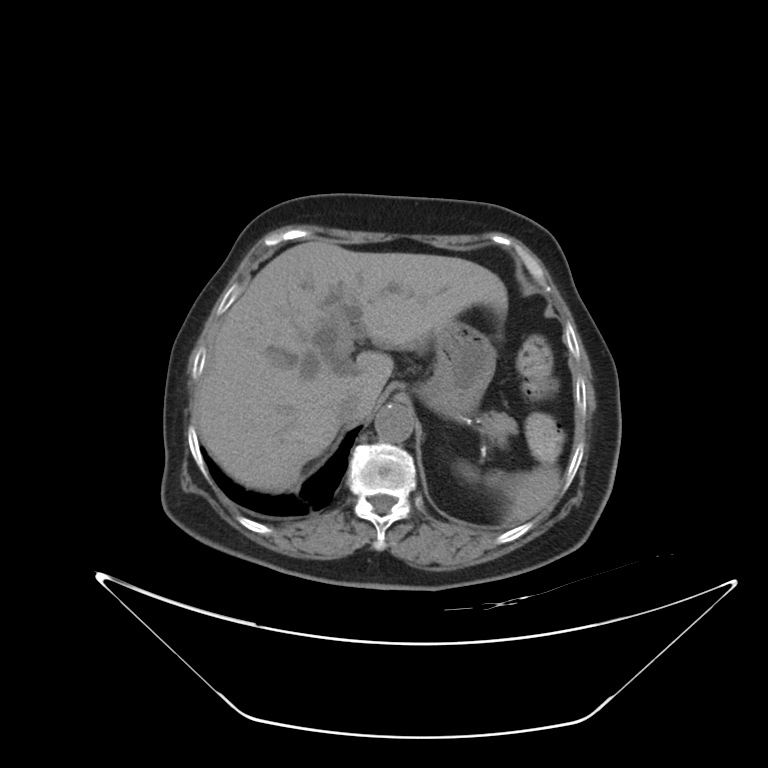

CT abdomen · axial plane, index 71 · W/L 400/40 HU · Brilliance16 scanner · 15 organs annotated in this scan (that count is for the whole scan; organs this slice misses have no box)
{"organs":{"stomach":[417,320,496,418],"spleen":[501,467,560,521],"inferior vena cava":[335,394,363,423],"liver":[194,241,507,491],"pancreas":[479,410,518,448],"aorta":[374,404,414,442]}}